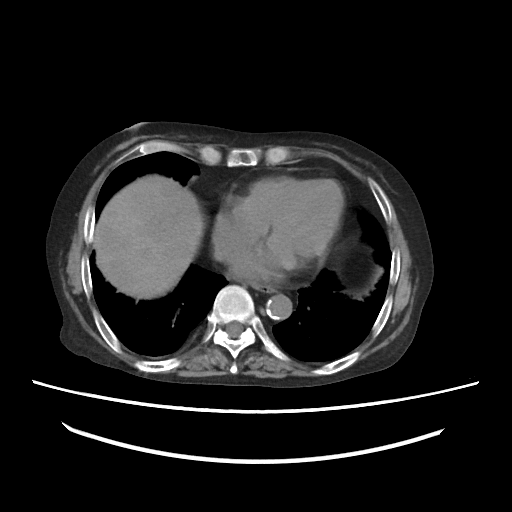

Computed tomography, abdomen — axial view
Bounding boxes as [x1, y1, x2, y2] in pixel coordinates. The annotated organs in this slice are: liver at [93, 175, 204, 298], inferior vena cava at [214, 238, 239, 260], aorta at [266, 294, 292, 320], esophagus at [253, 284, 275, 293].